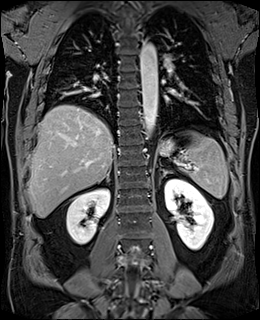 Magnetic resonance imaging, abdomen — coronal view — 260x320 px — Prisma scanner — 13 organs annotated in this scan (counted over the whole 3D scan, not this slice; an organ is boxed only where this slice passes through it)
<organs><organ name="right adrenal gland" x1="97" y1="168" x2="110" y2="183"/><organ name="liver" x1="28" y1="105" x2="114" y2="218"/><organ name="aorta" x1="140" y1="41" x2="157" y2="138"/><organ name="spleen" x1="173" y1="132" x2="228" y2="198"/><organ name="left kidney" x1="164" y1="179" x2="213" y2="250"/><organ name="right kidney" x1="66" y1="189" x2="109" y2="244"/><organ name="stomach" x1="159" y1="139" x2="174" y2="155"/><organ name="left adrenal gland" x1="159" y1="170" x2="170" y2="184"/></organs>